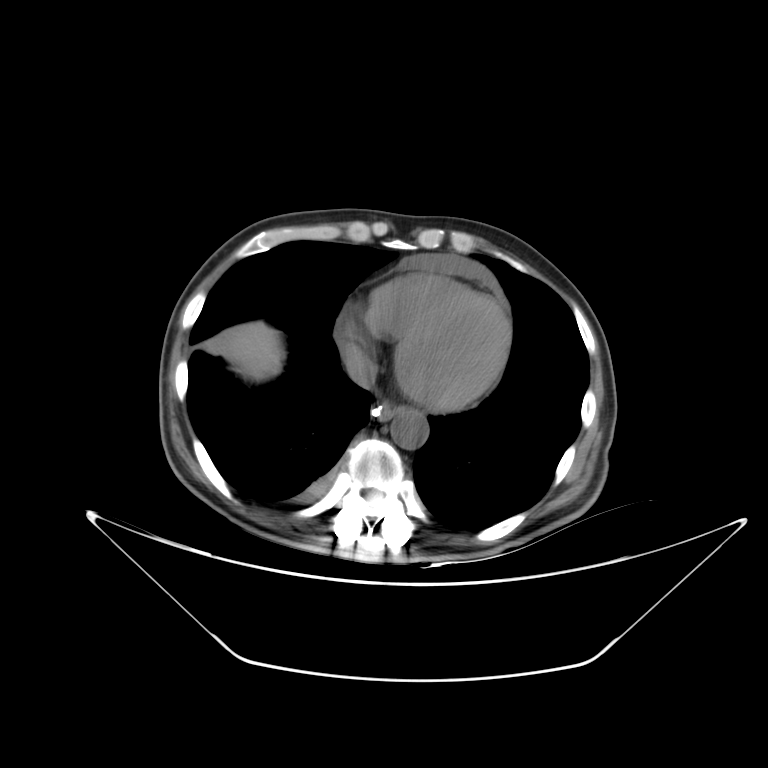
Abdominal CT · Axial slice 95/101 · soft-tissue window · 15 organs annotated in this scan (that count is for the whole scan; organs this slice misses have no box)
Boxes are (x1, y1, x2, y2) in pixels.
Organ bounding boxes:
- inferior vena cava: (346, 353, 373, 386)
- liver: (204, 321, 283, 380)
- esophagus: (371, 403, 404, 418)
- aorta: (391, 410, 427, 448)